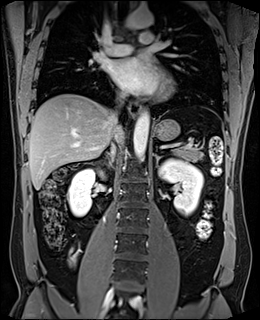

Abdominal MR — coronal view
Bounding boxes as [x1, y1, x2, y2] in pixel coordinates. 10 labeled organs on this slice — right kidney at [68, 168, 102, 216]; left kidney at [158, 159, 203, 215]; esophagus at [129, 102, 141, 117]; liver at [28, 94, 124, 189]; stomach at [154, 119, 179, 141]; aorta at [133, 111, 149, 161]; aorta at [125, 10, 153, 28]; inferior vena cava at [109, 109, 119, 148]; pancreas at [172, 148, 203, 161]; right adrenal gland at [106, 148, 114, 162]; left adrenal gland at [155, 155, 163, 166].